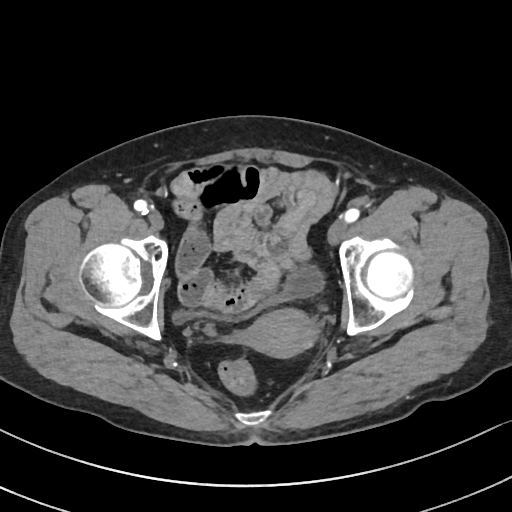
CT abdomen · axial view
<organs><organ name="bladder" x1="172" y1="268" x2="325" y2="323"/><organ name="prostate/uterus" x1="245" y1="306" x2="314" y2="356"/></organs>